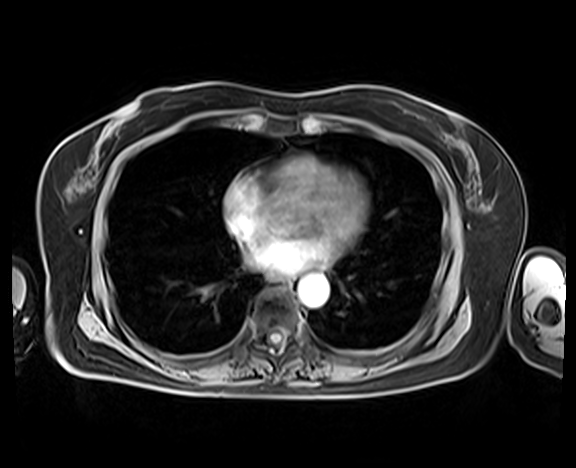 Abdominal MRI; this slice is in the lower chest, just above the liver; axial view; 1st–99th percentile window; 576x468 px; Prisma scanner
No part of the heart or lungs is labeled in this dataset, so neither has a box here.
{"organs":{"esophagus":[274,276,290,288],"aorta":[298,275,329,307]}}